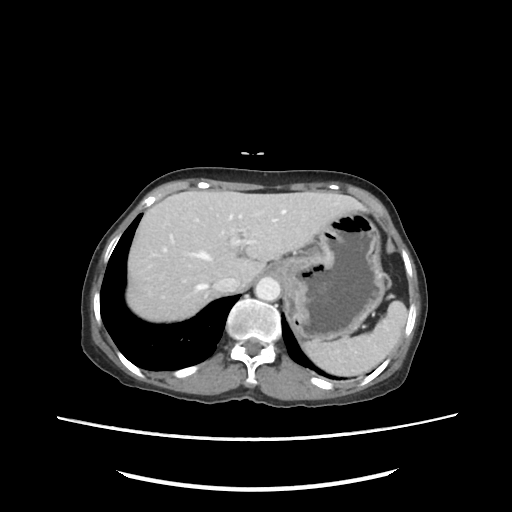
CT abdomen; axial plane, index 74; 512x512 px; 73-year-old female patient; acquired on Aquilion ONE; 15 organs annotated in this scan (that count is for the whole scan; organs this slice misses have no box)
Boxes are (x1, y1, x2, y2) in pixels.
Organ bounding boxes:
- spleen: (302, 301, 407, 375)
- liver: (126, 190, 367, 322)
- stomach: (264, 211, 384, 339)
- aorta: (255, 277, 281, 300)
- inferior vena cava: (212, 275, 240, 295)